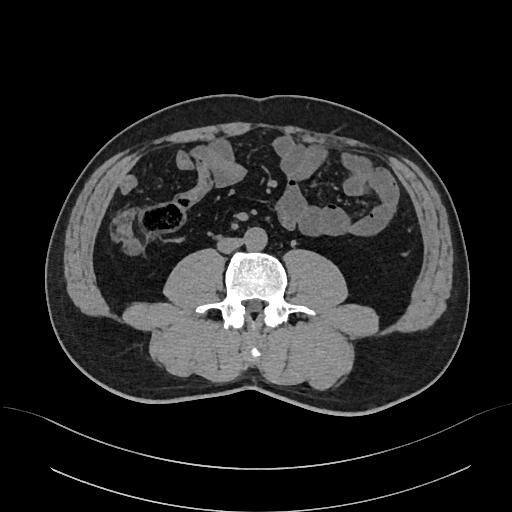 CT abdomen. axial view. soft-tissue window. 512x512 px. acquired on SOMATOM Force
Boxes: x1:y1:x2:y2 in pixels.
Organ bounding boxes:
- aorta: 243:227:266:250
- inferior vena cava: 217:238:243:253